CT of the abdomen reaching into the lower chest, slice just above the liver and spleen; axial view; soft-tissue window (W 400 / L 40)
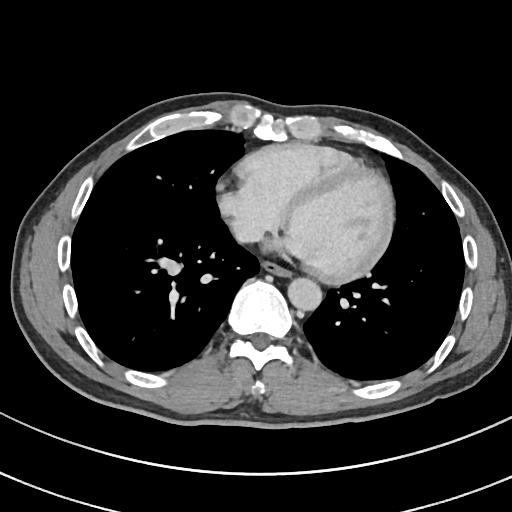 The heart and lungs are never labeled in this dataset, so they have no box on this slice.
Each box given as x1,y1,x2,y2.
Organ bounding boxes:
- aorta: x1=287, y1=277, x2=321, y2=310
- inferior vena cava: x1=232, y1=218, x2=262, y2=243
- esophagus: x1=262, y1=261, x2=290, y2=276